Abdominal CT. axial view. 38-year-old female patient
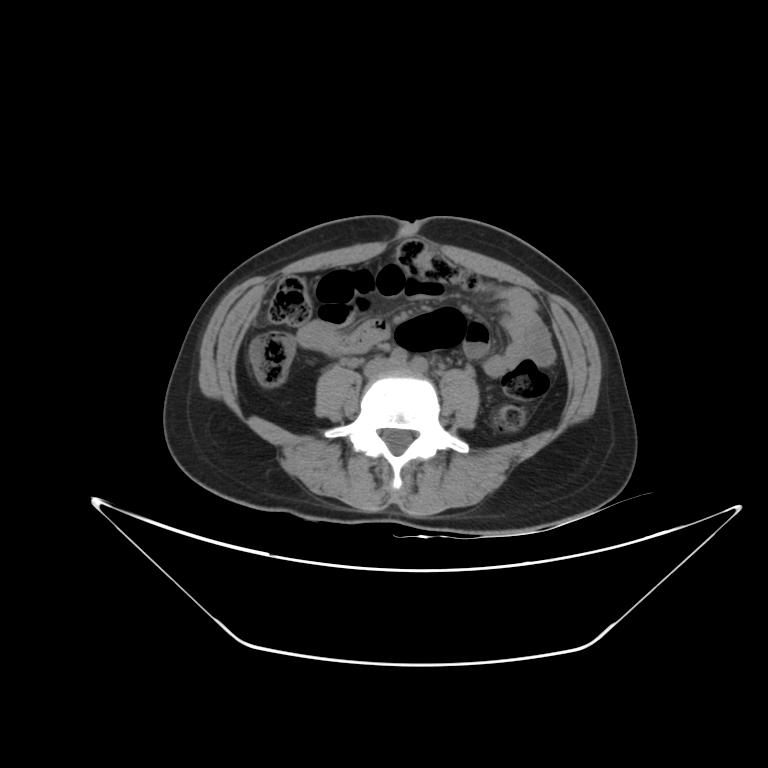
<organs><organ name="inferior vena cava" x1="364" y1="359" x2="391" y2="376"/></organs>